Computed tomography, abdomen · axial plane, index 16 · SOMATOM Force scanner · 15 organs annotated in this scan (that count is for the whole scan; organs this slice misses have no box)
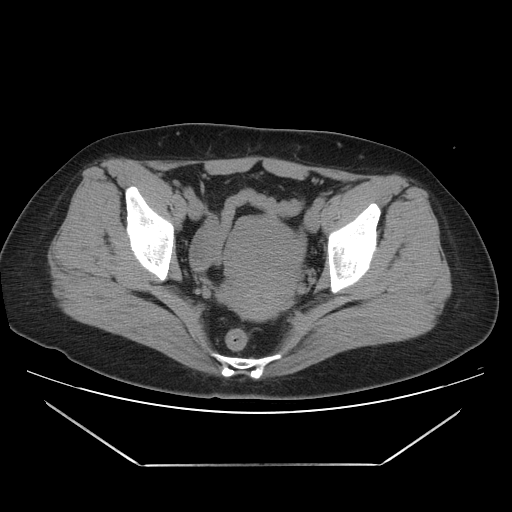

Boxes: x1:y1:x2:y2 in pixels. The annotated organs in this slice are: prostate/uterus at 224:216:302:320.